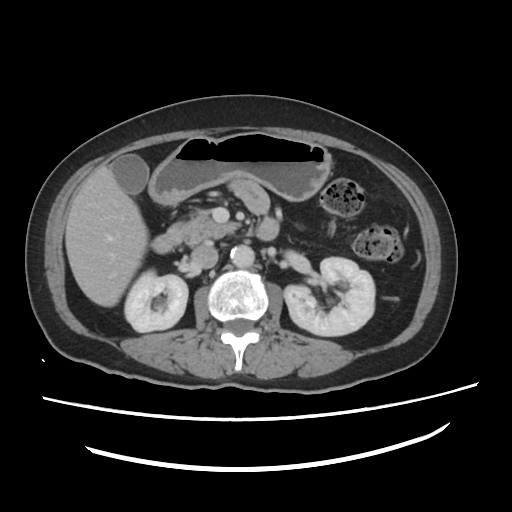
CT, abdomen/pelvis. Axial slice 61/128. 512x512 px
Boxes: x1:y1:x2:y2 in pixels.
Organ bounding boxes:
- pancreas: 180:209:233:243
- gall bladder: 108:156:148:195
- duodenum: 152:218:278:252
- liver: 65:163:148:306
- stomach: 149:133:332:203
- right kidney: 124:269:188:333
- inferior vena cava: 191:244:217:268
- left kidney: 283:257:374:335
- aorta: 230:244:254:266